Computed tomography, abdomen — axial view
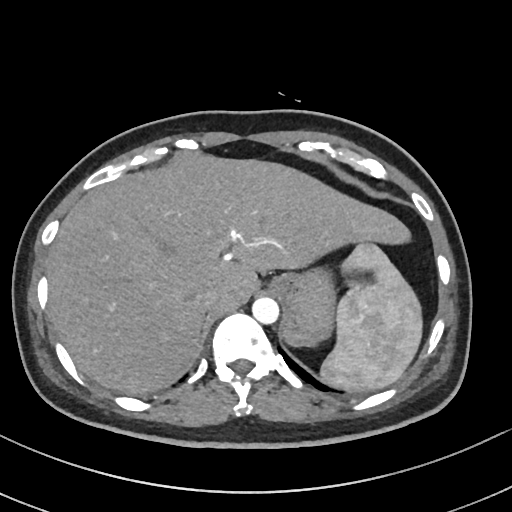 Coordinates as <box>x1,y1,x2,y2</box> in pixels.
spleen: <box>320,243,422,390</box>
liver: <box>46,152,410,393</box>
stomach: <box>270,267,335,346</box>
aorta: <box>252,297,279,324</box>
inferior vena cava: <box>194,287,219,309</box>